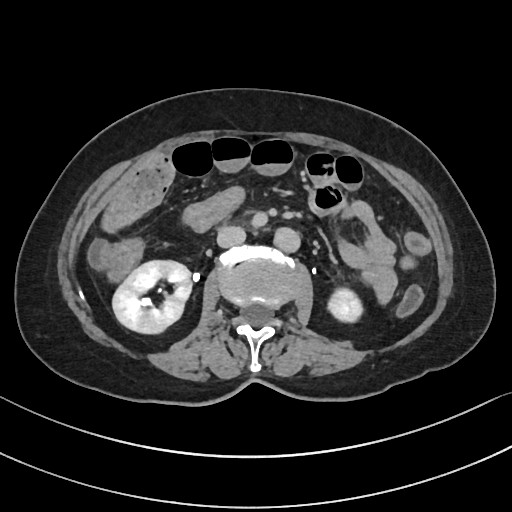

CT, abdomen/pelvis. axial view. soft-tissue window
Bounding boxes in pixels, one row per box: x1, y1 is the top-left corner and x2, y2 the bottom-right.
| organ | x1 | y1 | x2 | y2 |
|---|---|---|---|---|
| aorta | 274 | 228 | 300 | 252 |
| right kidney | 112 | 260 | 190 | 333 |
| inferior vena cava | 217 | 226 | 245 | 247 |
| left kidney | 328 | 288 | 363 | 322 |